CT, abdomen/pelvis; Axial slice 229/345; soft-tissue window (W 400 / L 40); 512x512 px
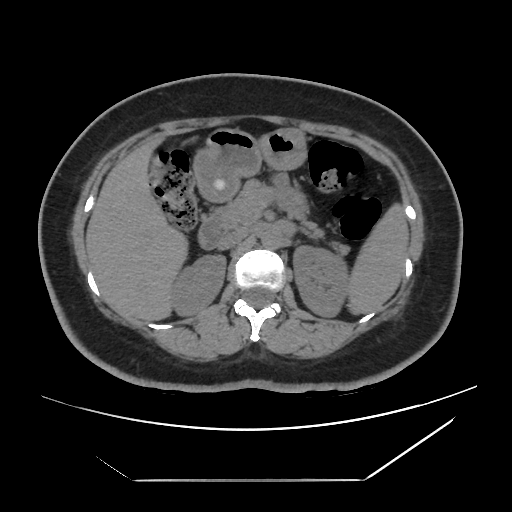
Boxes: x1 y1 x2 y2 (pixel coords, space-separated). Labeled organs on this slice: spleen at 350 206 407 313, right kidney at 169 254 226 316, left kidney at 293 245 349 316, liver at 86 137 186 320, stomach at 194 127 306 201, aorta at 261 228 282 248, inferior vena cava at 217 229 247 249, pancreas at 216 181 319 233, duodenum at 197 216 226 249.